Abdominal MRI — axial plane, index 66 — 320x260 px — Prisma scanner
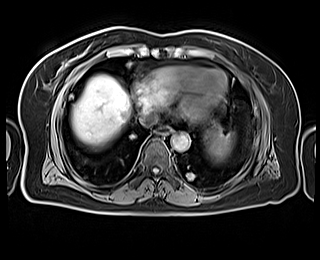

<organs><organ name="spleen" x1="203" y1="131" x2="235" y2="162"/><organ name="esophagus" x1="157" y1="126" x2="171" y2="134"/><organ name="liver" x1="71" y1="74" x2="131" y2="147"/><organ name="aorta" x1="171" y1="133" x2="190" y2="150"/><organ name="inferior vena cava" x1="138" y1="110" x2="157" y2="126"/></organs>